CT, abdomen/pelvis — axial view — W/L 400/40 HU — acquired on Brilliance16
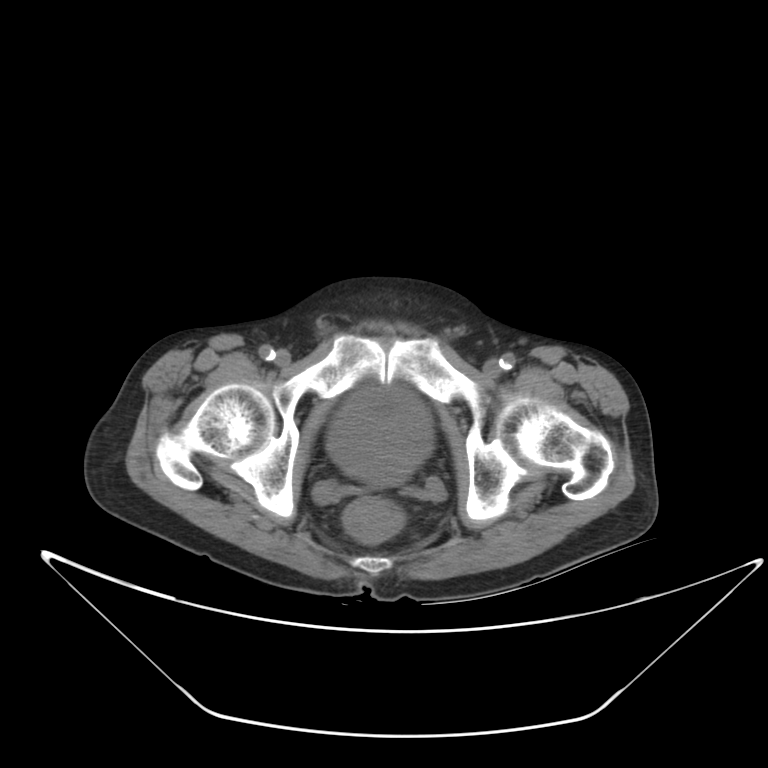

One row per box, in pixels: columns x1 and y1 give the top-left corner, x2 and y2 the bottom-right.
| organ | x1 | y1 | x2 | y2 |
|---|---|---|---|---|
| bladder | 326 | 385 | 433 | 486 |